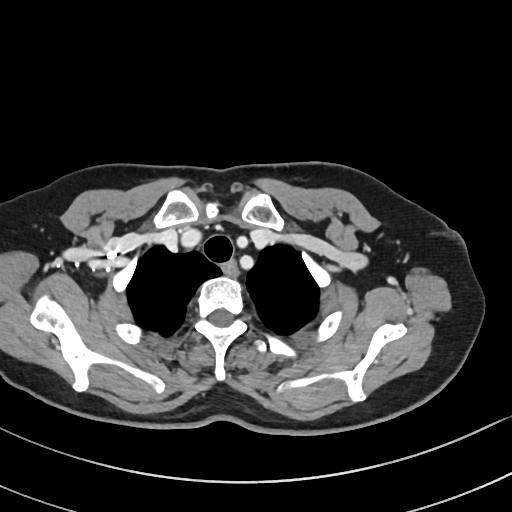
Chest-level CT slice, above the liver and spleen. axial view. soft-tissue window, W/L 400/40
On a slice this high in the chest, this dataset labels only the esophagus and the aorta, and each is boxed only where it is labeled; the heart, lungs and other chest structures are not labeled.
Coordinates as <box>x1,y1,x2,y2</box> in pixels.
Organ bounding boxes:
- esophagus: <box>222,261,238,275</box>